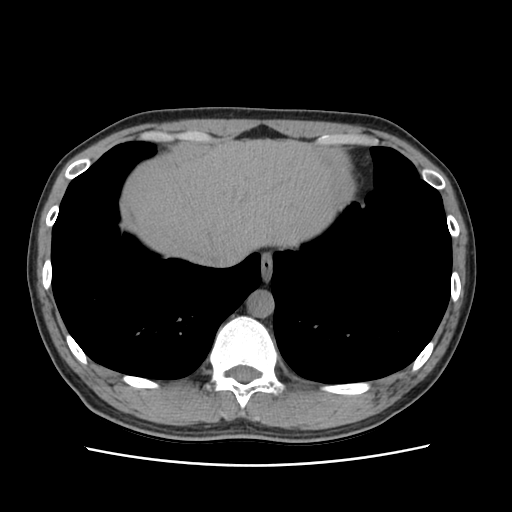
CT, abdomen/pelvis · Axial slice 154/167 · soft-tissue window · acquired on SOMATOM Force · scan has 15 labeled organs (counted over the whole 3D scan, not this slice; an organ is boxed only where this slice passes through it)
Boxes are (x1, y1, x2, y2) in pixels. Labeled organs on this slice: esophagus at (260, 253, 273, 282), liver at (127, 140, 332, 260), aorta at (247, 290, 274, 318), inferior vena cava at (202, 236, 247, 265).